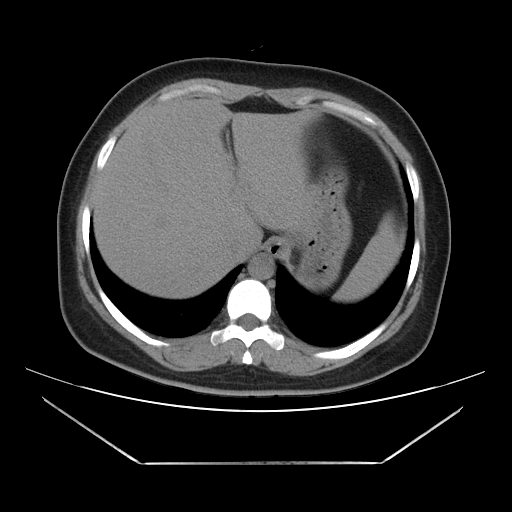 CT, abdomen/pelvis · axial view · soft-tissue window
Each box given as x1,y1,x2,y2.
spleen: x1=332, y1=214, x2=401, y2=302
esophagus: x1=266, y1=238, x2=284, y2=255
liver: x1=93, y1=98, x2=314, y2=298
stomach: x1=281, y1=165, x2=351, y2=290
aorta: x1=248, y1=253, x2=274, y2=279
inferior vena cava: x1=227, y1=237, x2=257, y2=260